Computed tomography, abdomen — axial view — acquired on Brilliance16
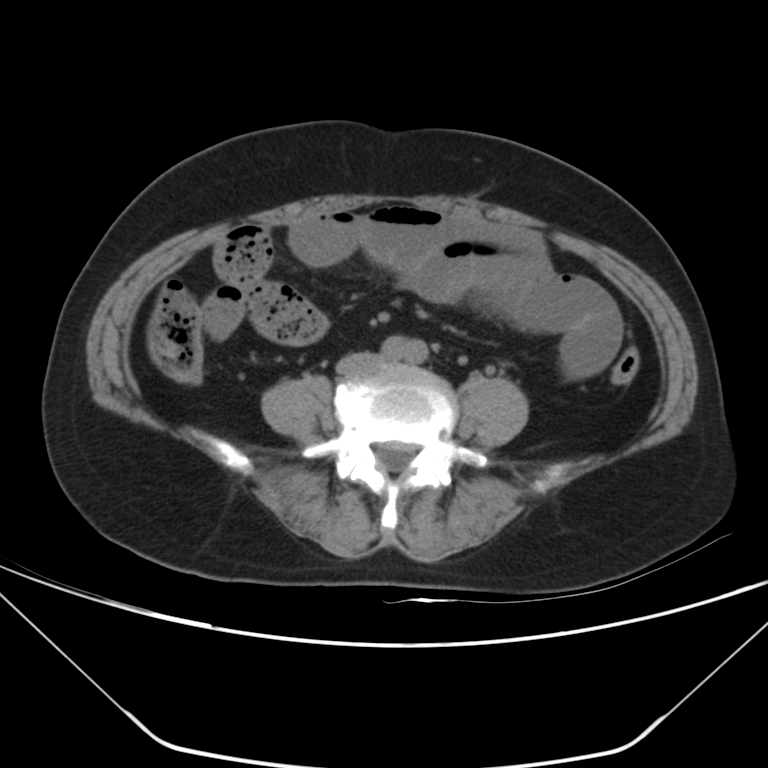 Each box given as x1,y1,x2,y2. 1 labeled organ on this slice — inferior vena cava at x1=339, y1=354, x2=376, y2=369.